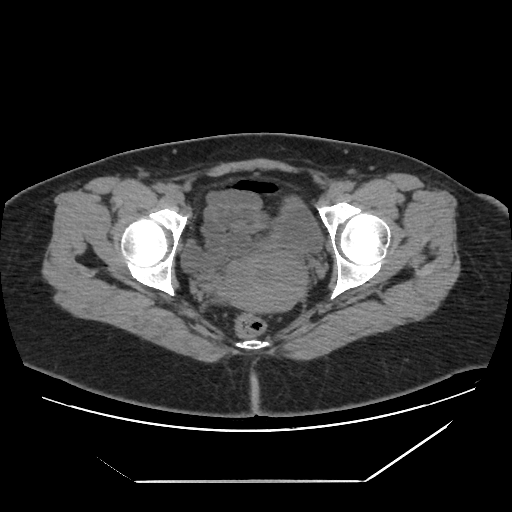
Computed tomography, abdomen — axial view
Boxes: x1:y1:x2:y2 in pixels.
bladder: 184:200:323:270
prostate/uterus: 218:251:304:313